CT of the abdomen reaching into the lower chest, slice just above the liver and spleen · axial view · soft-tissue window (W 400 / L 40)
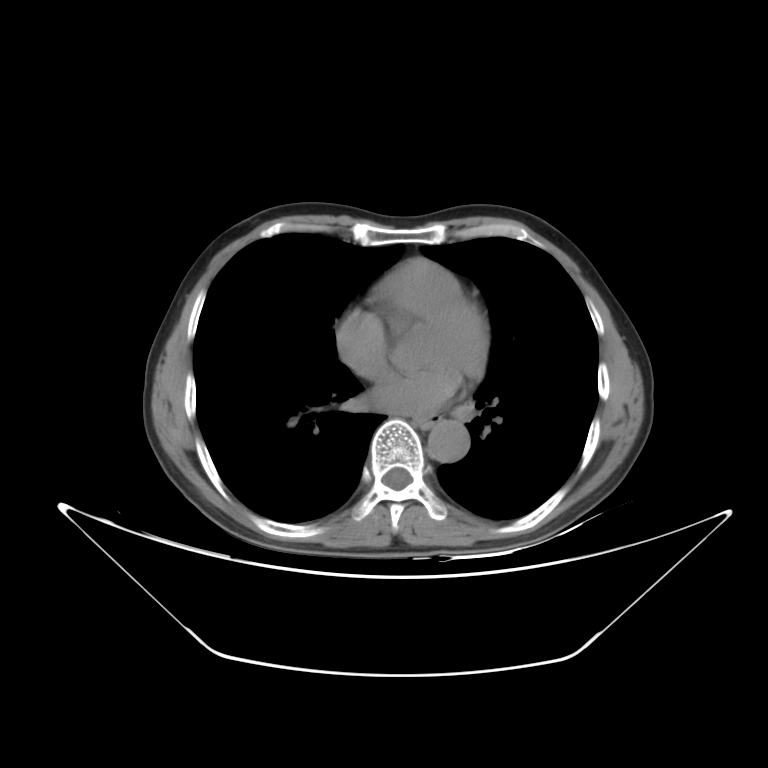

No part of the heart or lungs is labeled in this dataset, so neither has a box here.
<organs><organ name="esophagus" x1="419" y1="413" x2="440" y2="428"/><organ name="aorta" x1="427" y1="420" x2="470" y2="462"/></organs>